CT abdomen. axial view. scan has 15 labeled organs (a whole-scan count: organs this slice does not pass through have no box)
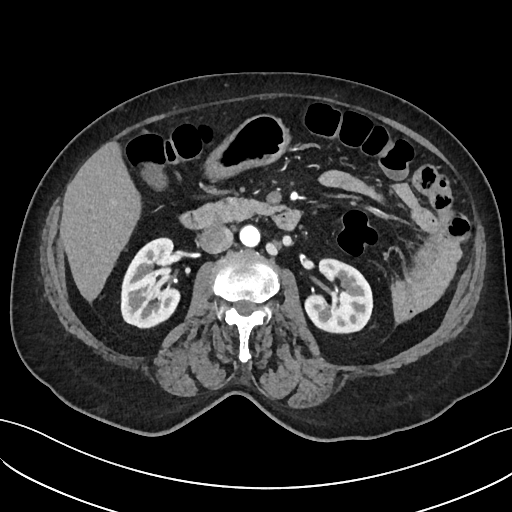
Boxes: x1 y1 x2 y2 (pixel coords, space-separated). 9 labeled organs on this slice — right kidney at 121 238 179 327; left kidney at 305 259 372 332; gall bladder at 141 163 167 190; liver at 59 142 141 302; stomach at 205 114 290 180; aorta at 239 225 260 246; inferior vena cava at 199 225 233 253; pancreas at 193 198 276 224; duodenum at 179 210 300 230.